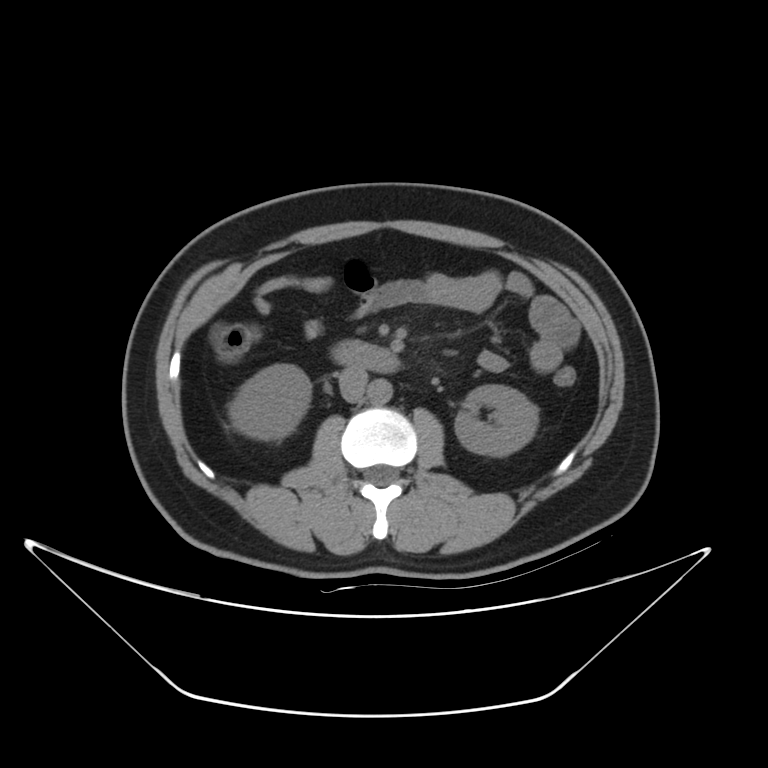
CT abdomen. Axial slice 65/93. soft-tissue window (W 400 / L 40)
<organs><organ name="duodenum" x1="331" y1="340" x2="400" y2="373"/><organ name="right kidney" x1="228" y1="363" x2="311" y2="440"/><organ name="inferior vena cava" x1="338" y1="367" x2="368" y2="402"/><organ name="left kidney" x1="455" y1="384" x2="538" y2="456"/><organ name="aorta" x1="367" y1="379" x2="392" y2="402"/></organs>